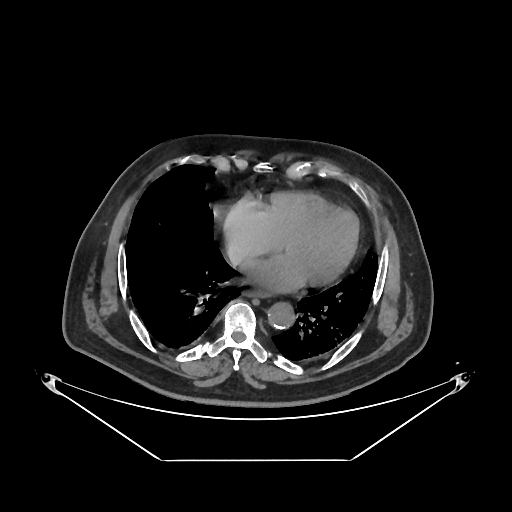

CT of the abdomen reaching into the lower chest, slice just above the liver and spleen · axial plane, index 334 · soft-tissue window
Of the structures in the chest, this dataset labels only the esophagus, the aorta and the inferior vena cava; the heart and lungs have no label.
{"organs":{"esophagus":[246,291,266,296],"aorta":[268,302,294,329]}}